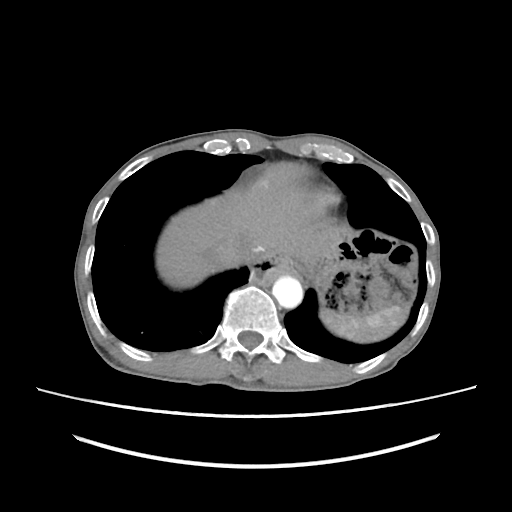 CT abdomen — axial view — soft-tissue window
Box edges are left/top/right/bottom in pixels. The annotated organs in this slice are: aorta at left=272, top=276, right=303, bottom=308, inferior vena cava at left=215, top=240, right=249, bottom=267, liver at left=156, top=161, right=343, bottom=288, spleen at left=320, top=303, right=410, bottom=342.